CT, abdomen/pelvis · axial view · 512x512 px
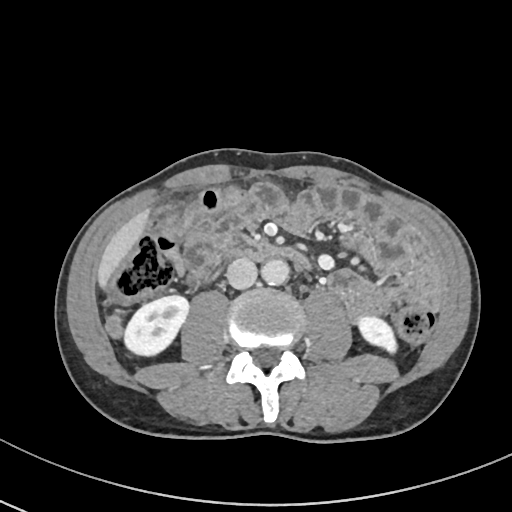

Organ boxes in pixel coordinates; each row gives the top-left (x1, y1) and bottom-right (x2, y2) corners.
| organ | x1 | y1 | x2 | y2 |
|---|---|---|---|---|
| right kidney | 124 | 296 | 188 | 355 |
| duodenum | 223 | 233 | 309 | 268 |
| liver | 97 | 210 | 148 | 287 |
| inferior vena cava | 226 | 258 | 257 | 289 |
| left kidney | 358 | 316 | 396 | 352 |
| aorta | 261 | 258 | 289 | 285 |